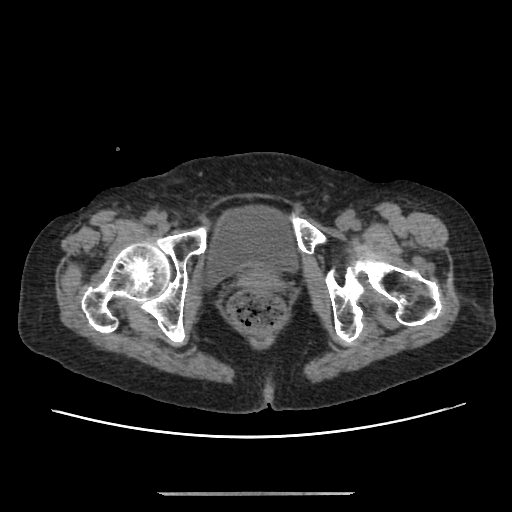 Abdominal CT — axial view
Coordinates as <box>x1,y1,x2,y2</box> in pixels.
Organ bounding boxes:
- bladder: <box>208,208,296,283</box>
- prostate/uterus: <box>245,269,273,286</box>